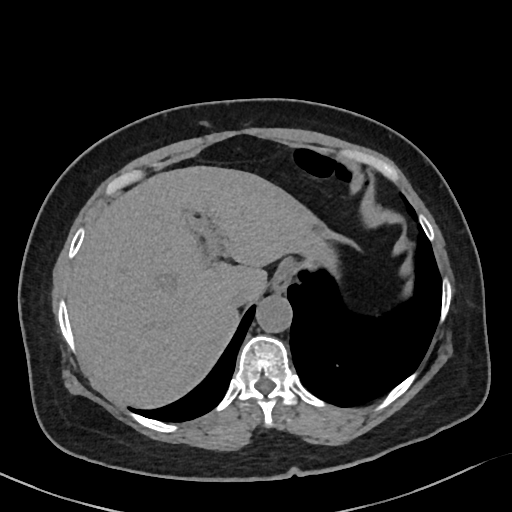 Computed tomography, abdomen · Axial slice 165/192 · W/L 400/40 HU
Organ boxes in pixel coordinates; each row gives the top-left (x1, y1) and bottom-right (x2, y2) corners.
| organ | x1 | y1 | x2 | y2 |
|---|---|---|---|---|
| esophagus | 274 | 258 | 299 | 289 |
| liver | 67 | 165 | 347 | 409 |
| aorta | 256 | 294 | 292 | 331 |
| inferior vena cava | 226 | 284 | 256 | 305 |